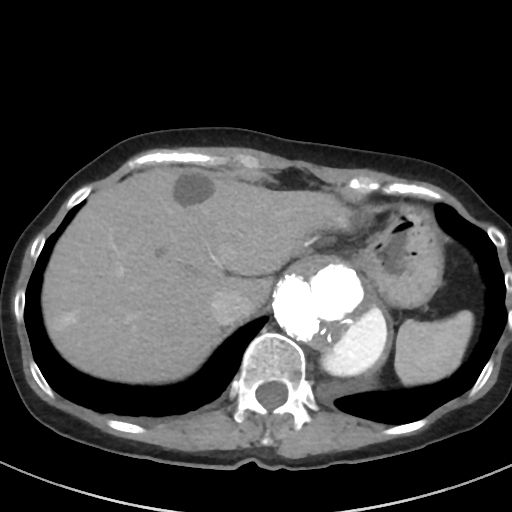
Computed tomography, abdomen — axial view — soft-tissue window (W 400 / L 40) — SOMATOM Force scanner
Bounding boxes as [x1, y1, x2, y2] in pixel coordinates.
spleen: [395, 310, 473, 384]
liver: [42, 167, 351, 383]
stomach: [353, 206, 443, 307]
aorta: [271, 256, 392, 380]
inferior vena cava: [211, 288, 255, 324]